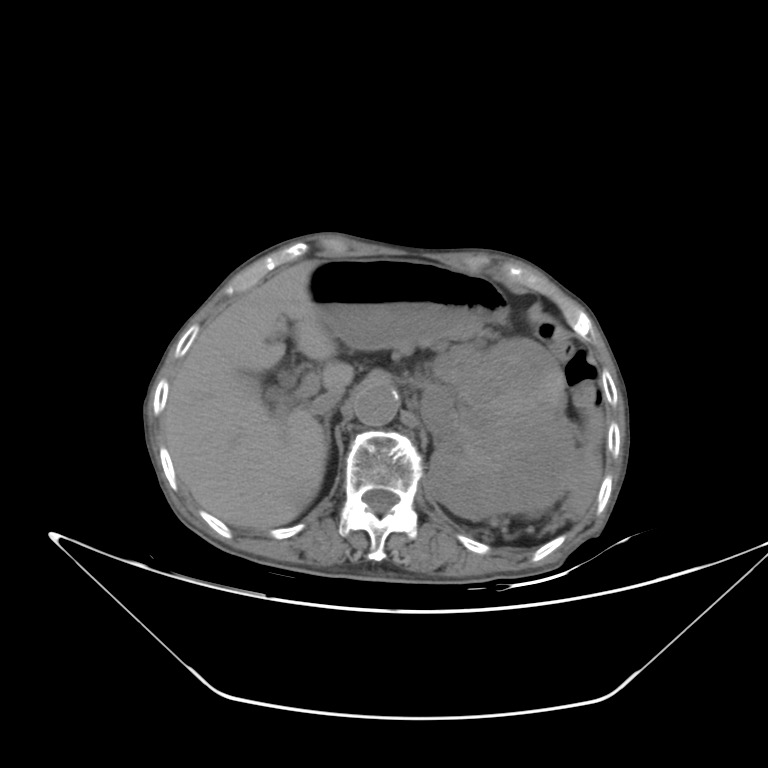

CT, abdomen/pelvis · axial plane, index 64
{"organs":{"spleen":[568,409,605,519],"left kidney":[422,336,576,520],"gall bladder":[265,389,285,403],"liver":[164,260,354,527],"stomach":[304,259,507,348],"aorta":[353,386,398,424],"inferior vena cava":[313,391,343,412],"pancreas":[397,322,502,352],"right adrenal gland":[323,411,334,463]}}